Abdominal CT; axial plane, index 61; abdomen soft-tissue window; 48-year-old male patient
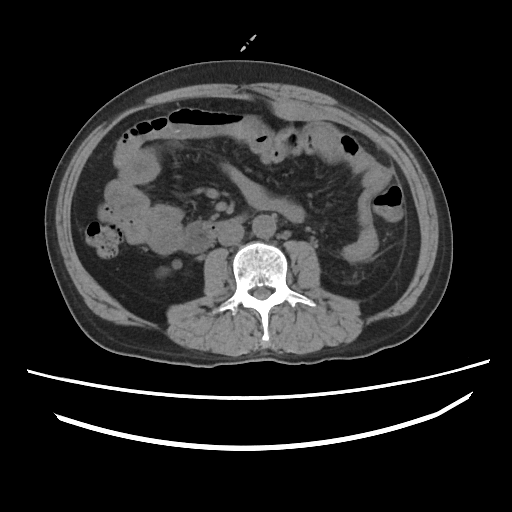
Coordinates as <box>x1,y1,x2,y2</box> in pixels. 3 labeled organs on this slice — inferior vena cava at <box>218,224,244,245</box>; aorta at <box>252,214,276,238</box>; duodenum at <box>181,216,244,252</box>.